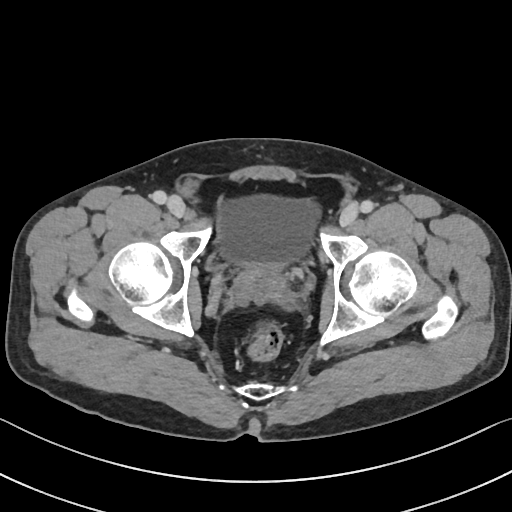 CT abdomen. axial plane, index 23. W/L 400/40 HU
Boxes are (x1, y1, x2, y2) in pixels. The annotated organs in this slice are: bladder at (217, 195, 319, 267), prostate/uterus at (236, 266, 282, 292).